Abdominal CT. Axial slice 94/298. 512x512 px
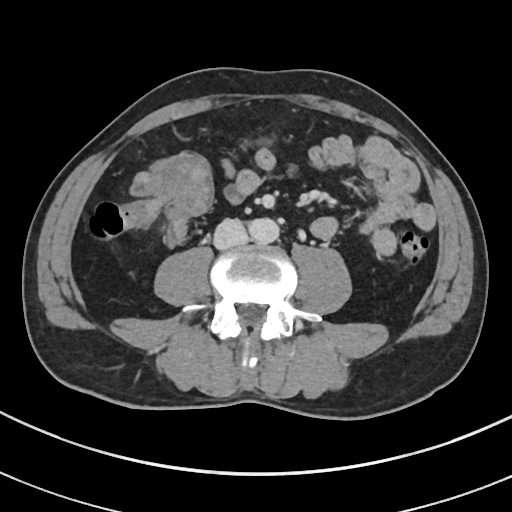

Box edges are left/top/right/bottom in pixels.
Organ bounding boxes:
- aorta: left=249, top=218, right=279, bottom=244
- inferior vena cava: left=213, top=218, right=248, bottom=249